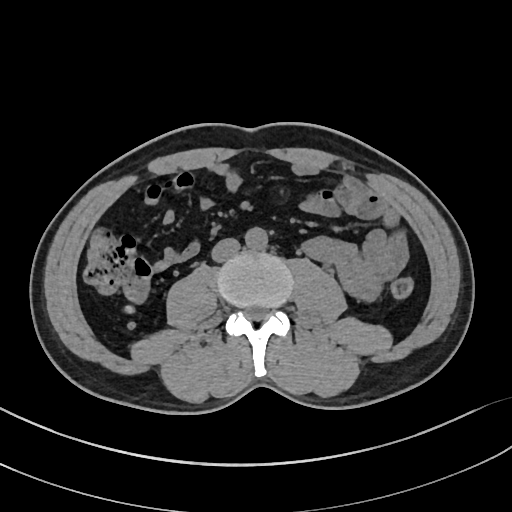 CT, abdomen/pelvis — axial plane, index 116 — soft-tissue window — acquired on SOMATOM Force
Each box given as x1,y1,x2,y2.
aorta: x1=245, y1=227, x2=267, y2=249
inferior vena cava: x1=211, y1=238, x2=240, y2=262